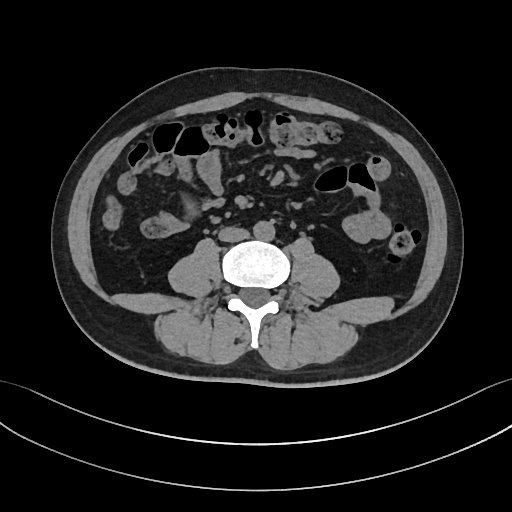 Abdominal CT. axial plane, index 113. abdomen soft-tissue window. 512x512 px
Bounding boxes in pixels, one row per box: x1, y1 is the top-left corner and x2, y2 the bottom-right.
| organ | x1 | y1 | x2 | y2 |
|---|---|---|---|---|
| aorta | 253 | 221 | 274 | 240 |
| inferior vena cava | 219 | 227 | 249 | 242 |